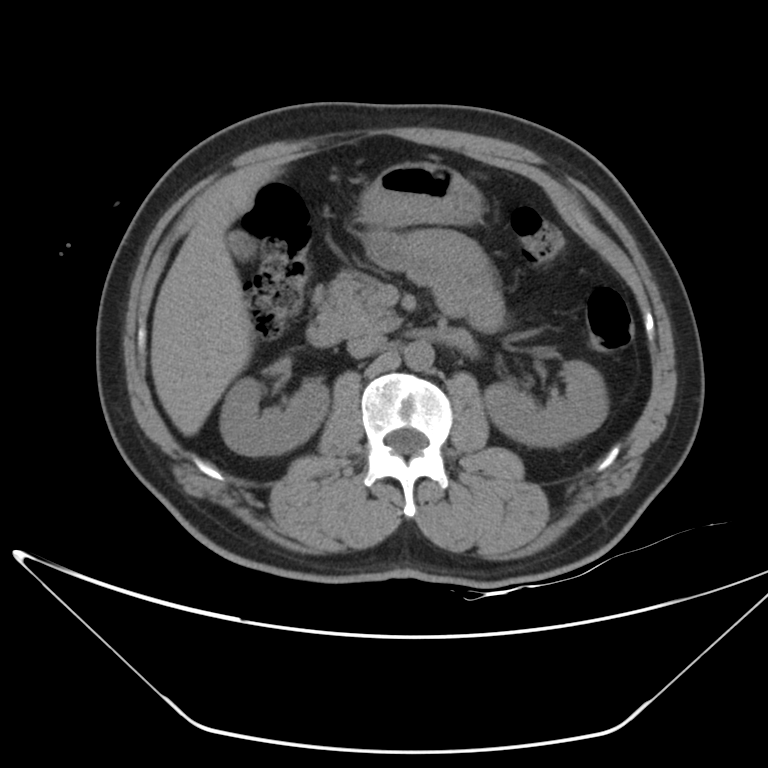 CT abdomen. Axial slice 57/84. 42-year-old male patient
Each box given as x1,y1,x2,y2.
pancreas: x1=314, y1=271, x2=401, y2=334
left kidney: x1=483, y1=360, x2=608, y2=447
inferior vena cava: x1=347, y1=334, x2=384, y2=358
aorta: x1=403, y1=341, x2=433, y2=371
duodenum: x1=307, y1=322, x2=343, y2=346
gall bladder: x1=225, y1=230, x2=254, y2=258
liver: x1=150, y1=163, x2=279, y2=435
right kidney: x1=219, y1=378, x2=328, y2=456
stomach: x1=360, y1=160, x2=484, y2=226